Abdominal MRI. axial view. percentile-normalized. scan has 13 labeled organs (that count is for the whole scan; organs this slice misses have no box)
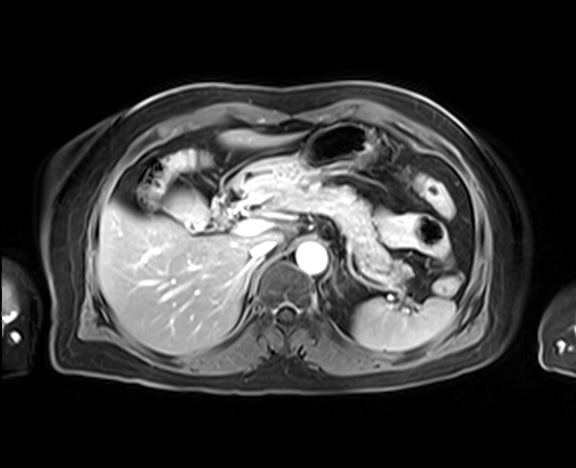

One row per box, in pixels: columns x1 and y1 give the top-left corner, x2 and y2 the bottom-right.
| organ | x1 | y1 | x2 | y2 |
|---|---|---|---|---|
| right adrenal gland | 243 | 259 | 263 | 289 |
| liver | 96 | 130 | 303 | 355 |
| inferior vena cava | 250 | 238 | 278 | 264 |
| duodenum | 213 | 176 | 253 | 226 |
| left adrenal gland | 332 | 260 | 342 | 296 |
| aorta | 295 | 243 | 327 | 274 |
| stomach | 237 | 122 | 374 | 198 |
| spleen | 353 | 297 | 455 | 351 |
| pancreas | 268 | 185 | 411 | 287 |
| gall bladder | 165 | 189 | 211 | 228 |